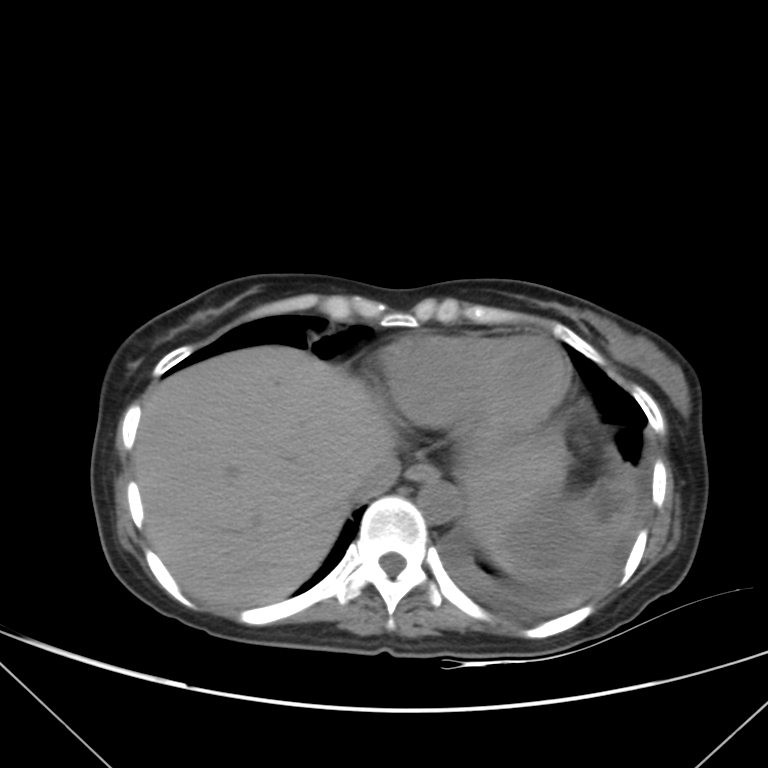

CT, abdomen/pelvis. axial view. 768x768 px
One row per box, in pixels: columns x1 and y1 give the top-left corner, x2 and y2 the bottom-right.
| organ | x1 | y1 | x2 | y2 |
|---|---|---|---|---|
| esophagus | 406 | 462 | 437 | 481 |
| liver | 134 | 347 | 563 | 606 |
| aorta | 418 | 479 | 461 | 523 |
| inferior vena cava | 352 | 452 | 400 | 500 |